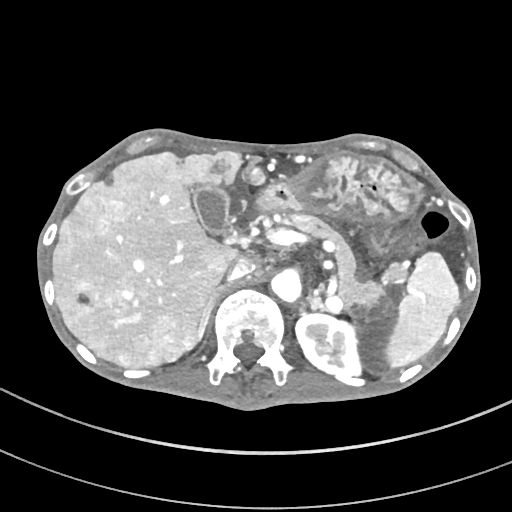 CT, abdomen/pelvis — axial view — soft-tissue window (W 400 / L 40) — 512x512 px
Coordinates as <box>x1,y1,x2,y2</box> in pixels. Labeled organs on this slice: right adrenal gland at <box>198,287,223,340</box>, stomach at <box>253,152,421,221</box>, pancreas at <box>290,214,384,306</box>, gall bladder at <box>195,186,228,236</box>, spleen at <box>385,252,459,367</box>, liver at <box>52,151,265,368</box>, left adrenal gland at <box>297,290,327,316</box>, aorta at <box>271,269,301,302</box>, inferior vena cava at <box>228,257,256,280</box>, left kidney at <box>295,314,361,377</box>.